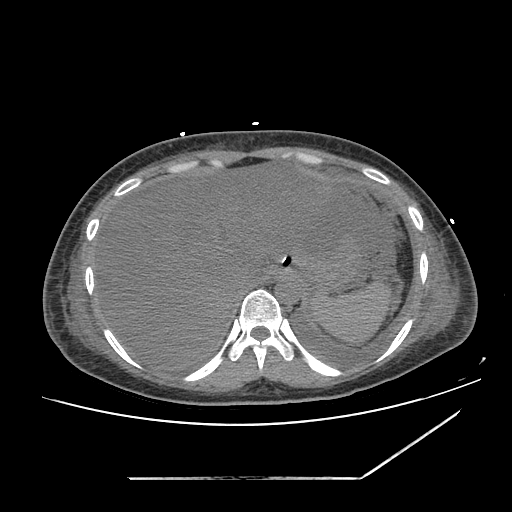

CT abdomen — axial view — abdomen soft-tissue window
Boxes are (x1, y1, x2, y2) in pixels.
spleen: (310, 281, 392, 343)
liver: (93, 161, 340, 369)
stomach: (265, 237, 357, 288)
aorta: (275, 275, 302, 303)
inferior vena cava: (233, 272, 257, 293)